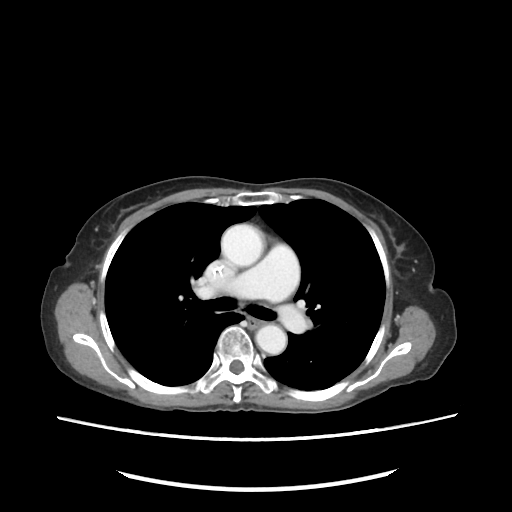 CT of the abdomen extending into the chest, slice through the chest; axial plane, index 100
At this level of the chest no structure but the esophagus and the aorta has a label in this dataset, and those two are boxed only where they are labeled.
Boxes: x1:y1:x2:y2 in pixels.
Organ bounding boxes:
- aorta: 222:225:262:266
- aorta: 257:324:284:353